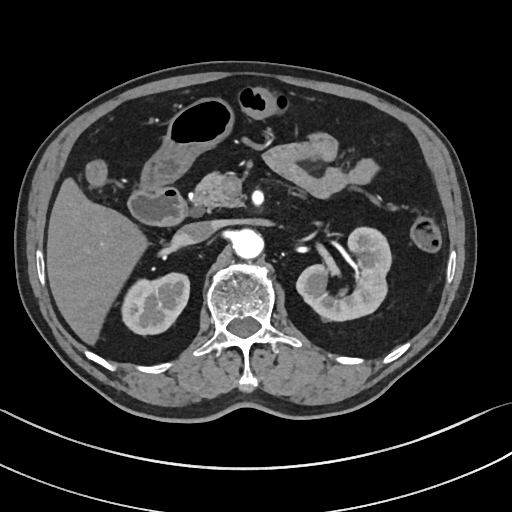
CT, abdomen/pelvis. axial view. 512x512 px
Coordinates as <box>x1,y1,x2,y2</box> in pixels. 8 labeled organs on this slice — right kidney at <box>122,272,189,335</box>; left kidney at <box>296,229,390,321</box>; liver at <box>46,176,147,346</box>; stomach at <box>138,97,233,190</box>; aorta at <box>232,229,263,260</box>; inferior vena cava at <box>174,222,216,245</box>; pancreas at <box>192,170,241,211</box>; duodenum at <box>128,186,186,224</box>.